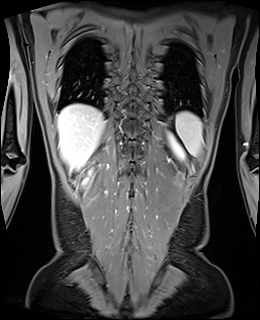
Abdominal MRI. Coronal slice 44/144. percentile-normalized
<organs><organ name="liver" x1="58" y1="104" x2="104" y2="170"/><organ name="spleen" x1="176" y1="112" x2="202" y2="155"/><organ name="left kidney" x1="169" y1="136" x2="184" y2="159"/></organs>